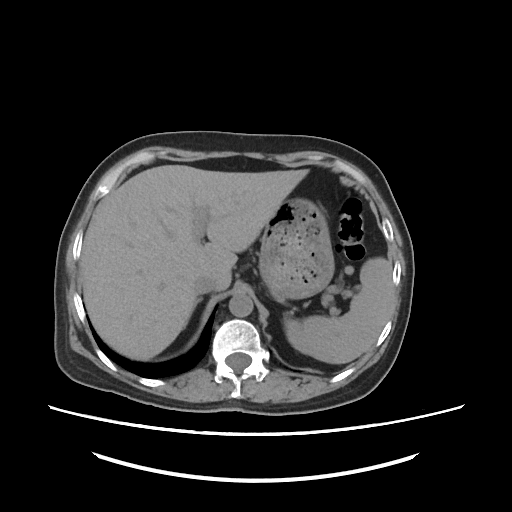

CT, abdomen/pelvis. axial view. scan has 15 labeled organs (a whole-scan count: organs this slice does not pass through have no box)
Bounding boxes as [x1, y1, x2, y2] in pixel coordinates. 6 labeled organs on this slice — spleen at [286, 256, 393, 364]; liver at [80, 165, 308, 360]; stomach at [259, 199, 333, 300]; aorta at [227, 294, 253, 317]; inferior vena cava at [195, 279, 217, 293]; right adrenal gland at [197, 297, 203, 305].